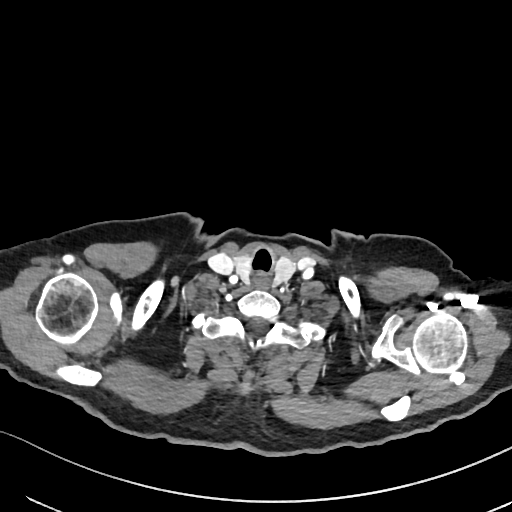 Chest-level CT slice, above the liver and spleen; Axial slice 296/297; W/L 400/40 HU
On a slice this high in the chest, this dataset labels only the esophagus and the aorta, and each is boxed only where it is labeled; the heart, lungs and other chest structures are not labeled.
Bounding boxes in pixels, one row per box: x1, y1 is the top-left corner and x2, y2 the bottom-right.
| organ | x1 | y1 | x2 | y2 |
|---|---|---|---|---|
| esophagus | 253 | 273 | 270 | 288 |